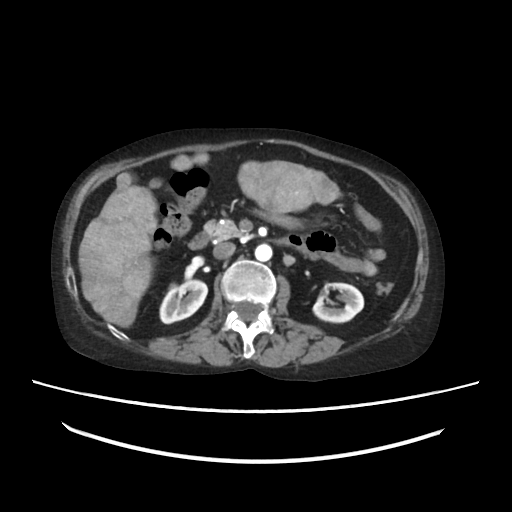
CT abdomen · axial view · 512x512 px · 61-year-old female patient · 15 organs annotated in this scan (counted over the whole 3D scan, not this slice; an organ is boxed only where this slice passes through it)
Boxes: x1 y1 x2 y2 (pixel coords, space-separated).
Organ bounding boxes:
- right kidney: 159 280 208 323
- left kidney: 312 281 363 322
- liver: 78 152 341 327
- stomach: 253 210 304 228
- aorta: 255 244 271 260
- inferior vena cava: 212 242 234 258
- pancreas: 205 219 246 241
- duodenum: 188 228 338 257